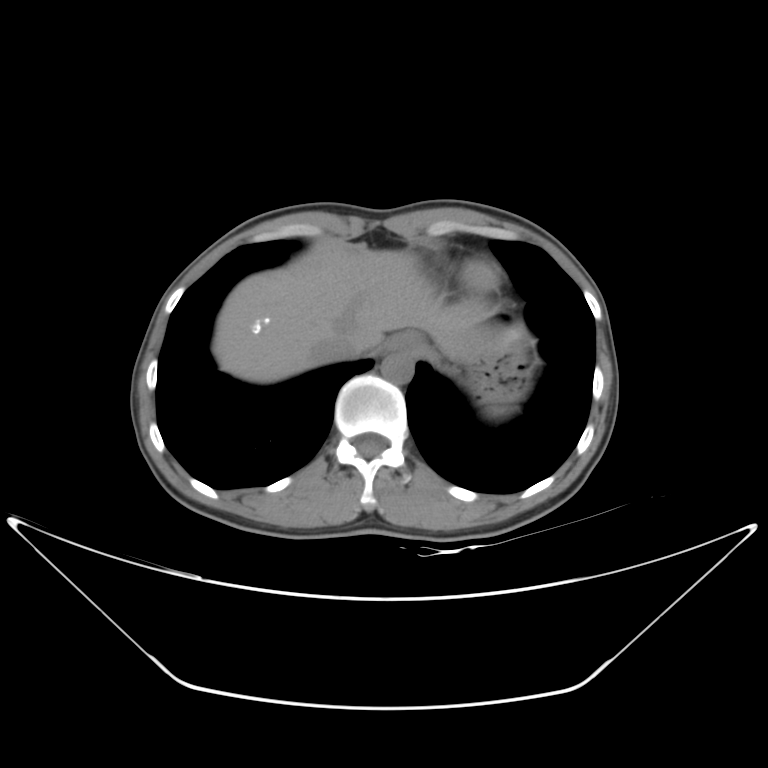 CT, abdomen/pelvis · Axial slice 80/82 · 768x768 px · 15 organs annotated in this scan (counted over the whole 3D scan, not this slice; an organ is boxed only where this slice passes through it)
Bounding boxes as [x1, y1, x2, y2] in pixel coordinates.
inferior vena cava: [315, 335, 366, 362]
aorta: [381, 353, 413, 384]
esophagus: [383, 331, 425, 356]
liver: [212, 241, 525, 383]
stomach: [450, 341, 536, 406]